CT, abdomen/pelvis; axial plane, index 170; soft-tissue window; 512x512 px; acquired on SOMATOM Force; scan has 15 labeled organs (that count is for the whole scan; organs this slice misses have no box)
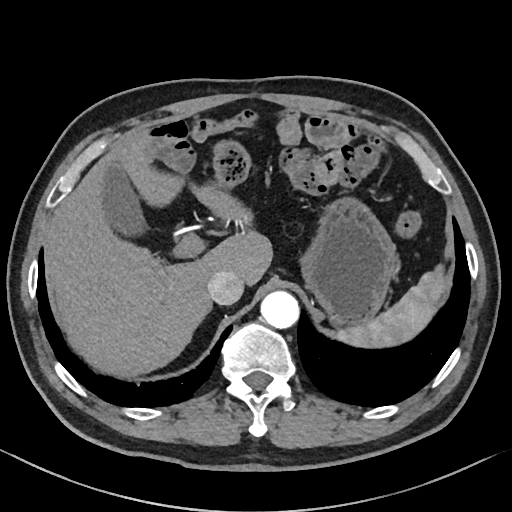 <organs><organ name="liver" x1="45" y1="129" x2="273" y2="376"/><organ name="inferior vena cava" x1="207" y1="271" x2="243" y2="304"/><organ name="gall bladder" x1="104" y1="168" x2="142" y2="235"/><organ name="aorta" x1="260" y1="291" x2="299" y2="328"/><organ name="spleen" x1="336" y1="265" x2="444" y2="347"/><organ name="stomach" x1="299" y1="197" x2="397" y2="326"/></organs>